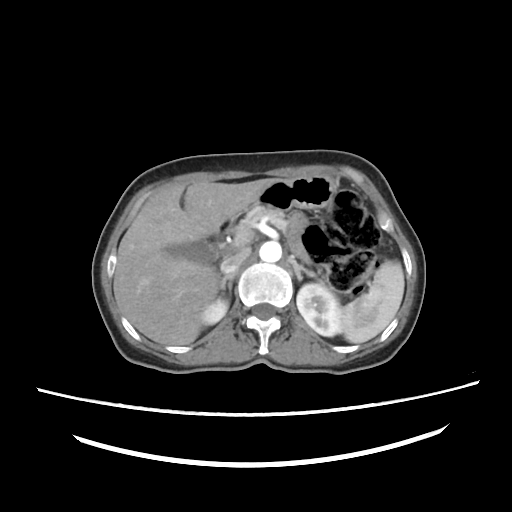

Computed tomography, abdomen — axial view — 512x512 px — 58-year-old female patient — acquired on Aquilion ONE — 15 organs annotated in this scan (a whole-scan count: organs this slice does not pass through have no box)
Boxes: x1 y1 x2 y2 (pixel coords, space-separated). The annotated organs in this slice are: spleen at 342 261 404 342, right kidney at 203 297 227 325, left kidney at 297 282 342 336, gall bladder at 168 242 216 262, liver at 113 178 273 344, stomach at 257 173 334 209, aorta at 259 240 281 262, inferior vena cava at 220 248 251 273, pancreas at 238 207 286 233, right adrenal gland at 220 274 235 297, left adrenal gland at 290 260 316 283, duodenum at 216 216 236 248.